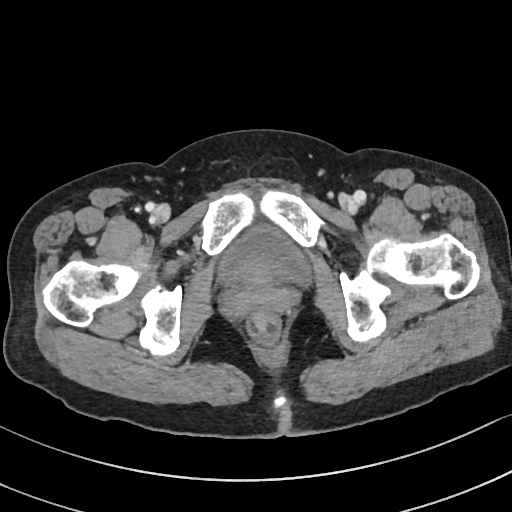

Abdominal CT — Axial slice 23/314
Boxes are (x1, y1, x2, y2) in pixels.
Organ bounding boxes:
- bladder: (216, 221, 313, 286)